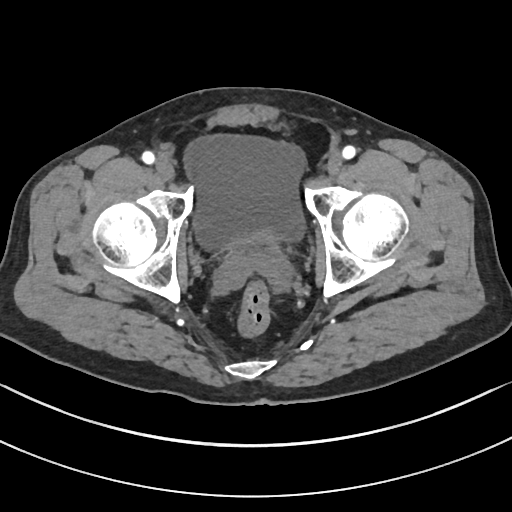
CT abdomen · axial view · abdomen soft-tissue window · 512x512 px · acquired on SOMATOM Force
Bounding boxes in pixels, one row per box: x1, y1 is the top-left corner and x2, y2 the bottom-right.
| organ | x1 | y1 | x2 | y2 |
|---|---|---|---|---|
| bladder | 184 | 135 | 305 | 247 |
| prostate/uterus | 229 | 230 | 276 | 259 |